CT, abdomen/pelvis · Axial slice 136/265 · abdomen soft-tissue window · scan has 15 labeled organs (a whole-scan count: organs this slice does not pass through have no box)
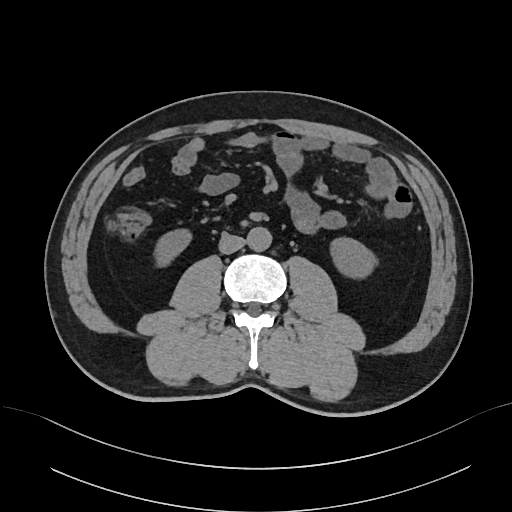

<organs><organ name="inferior vena cava" x1="219" y1="234" x2="245" y2="253"/><organ name="right kidney" x1="155" y1="228" x2="193" y2="265"/><organ name="aorta" x1="247" y1="227" x2="272" y2="251"/><organ name="left kidney" x1="328" y1="236" x2="376" y2="277"/></organs>